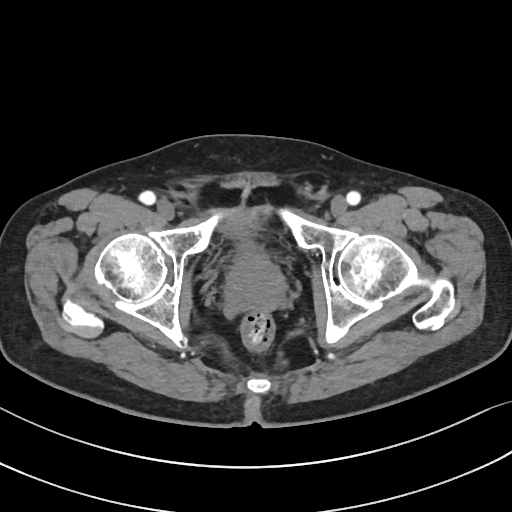
Computed tomography, abdomen; Axial slice 33/306; 512x512 px
Organ boxes in pixel coordinates; each row gives the top-left (x1, y1) and bottom-right (x2, y2) corners.
| organ | x1 | y1 | x2 | y2 |
|---|---|---|---|---|
| bladder | 226 | 211 | 255 | 254 |
| prostate/uterus | 223 | 253 | 286 | 307 |